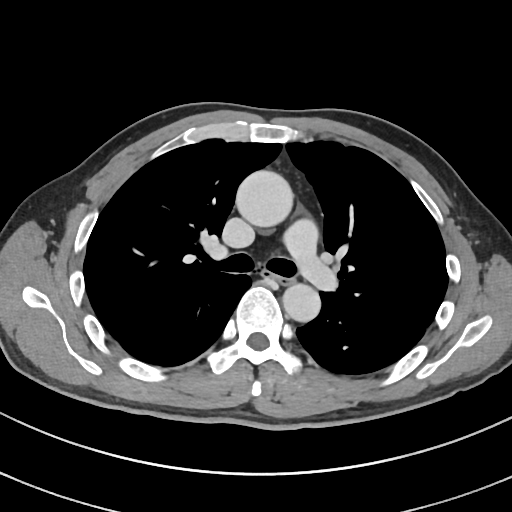 CT of the abdomen extending into the chest, slice through the chest · Axial slice 232/298 · soft-tissue window · scan has 15 labeled organs (a whole-scan count: organs this slice does not pass through have no box)
On a slice this high in the chest, this dataset labels only the esophagus and the aorta, and each is boxed only where it is labeled; the heart, lungs and other chest structures are not labeled.
{"organs":{"esophagus":[273,275,293,283],"aorta":[[235,170,293,227],[282,283,320,322]]}}